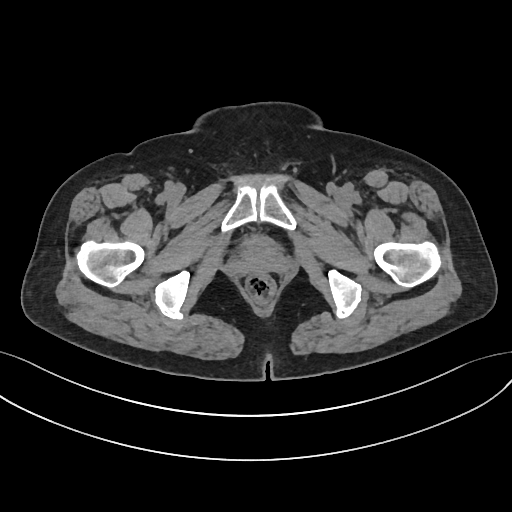

CT abdomen — Axial slice 10/207 — W/L 400/40 HU — 512x512 px — 15 organs annotated in this scan (that count is for the whole scan; organs this slice misses have no box)
{"organs":{"bladder":[244,236,272,249]}}